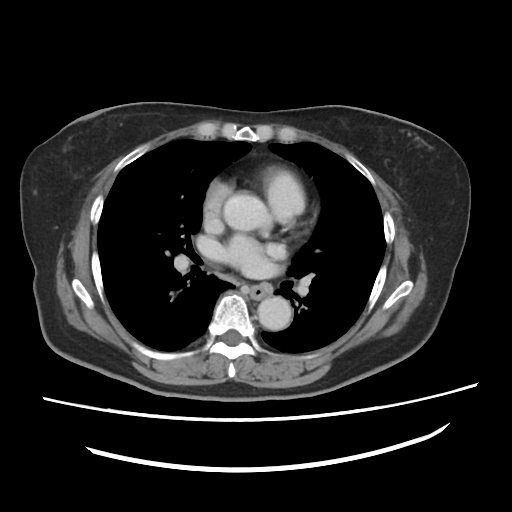
CT of the abdomen extending into the chest, slice through the chest; axial plane, index 98; 512x512 px
At this level of the chest no structure but the esophagus and the aorta has a label in this dataset, and those two are boxed only where they are labeled. Box edges are left/top/right/bottom in pixels. 2 labeled organs on this slice — esophagus at left=251, top=284, right=265, bottom=299; aorta at left=224, top=191, right=267, bottom=229; aorta at left=257, top=296, right=291, bottom=329.